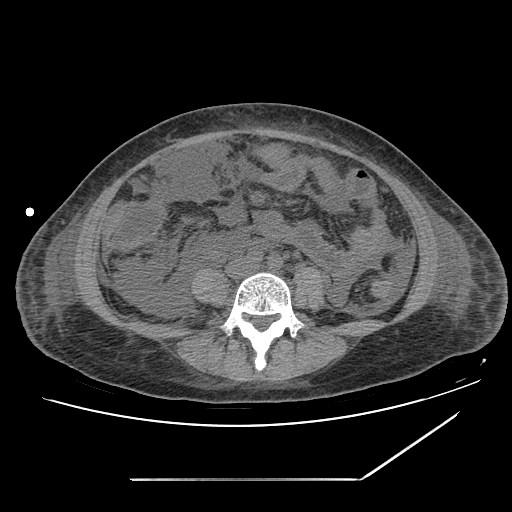 CT, abdomen/pelvis · Axial slice 76/191 · W/L 400/40 HU · 512x512 px · acquired on SOMATOM Force
{"organs":{"inferior vena cava":[227,261,258,276]}}